CT abdomen · Axial slice 44/235 · abdomen soft-tissue window · 512x512 px
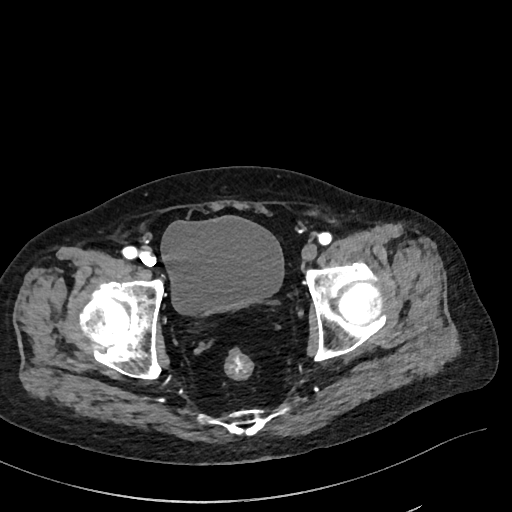 {"organs":{"bladder":[161,216,283,314]}}